Abdominal CT reaching into the chest; this slice is in the chest — axial view — Aquilion ONE scanner
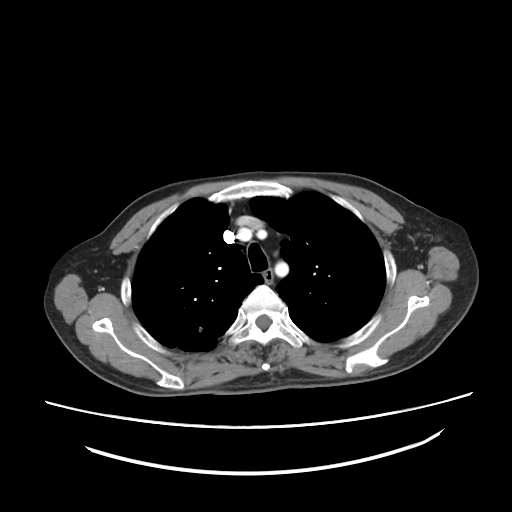

At this level of the chest no structure but the esophagus and the aorta has a label in this dataset, and those two are boxed only where they are labeled. Bounding boxes as [x1, y1, x2, y2] in pixel coordinates. The annotated organs in this slice are: esophagus at [262, 268, 273, 282].